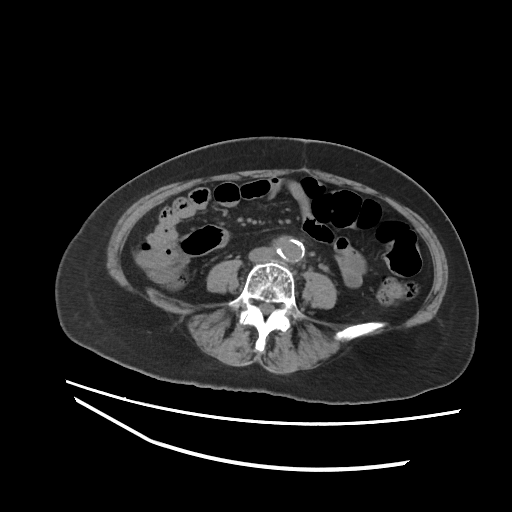 CT abdomen · axial view · abdomen soft-tissue window · 512x512 px · scan has 15 labeled organs (that count is for the whole scan; organs this slice misses have no box)
Box edges are left/top/right/bottom in pixels.
aorta: left=275, top=237, right=303, bottom=261